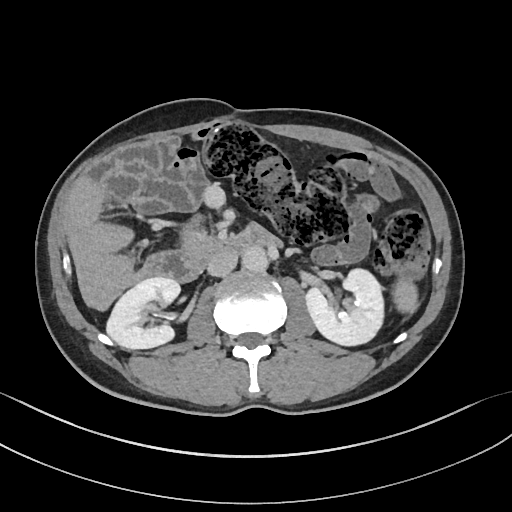

CT abdomen — Axial slice 151/230 — soft-tissue window
<organs><organ name="left kidney" x1="304" y1="269" x2="383" y2="346"/><organ name="spleen" x1="394" y1="281" x2="418" y2="313"/><organ name="inferior vena cava" x1="206" y1="251" x2="237" y2="276"/><organ name="aorta" x1="242" y1="247" x2="269" y2="273"/><organ name="pancreas" x1="182" y1="214" x2="213" y2="250"/><organ name="left adrenal gland" x1="49" y1="0" x2="52" y2="2"/><organ name="right kidney" x1="105" y1="278" x2="179" y2="349"/><organ name="duodenum" x1="143" y1="221" x2="285" y2="282"/></organs>